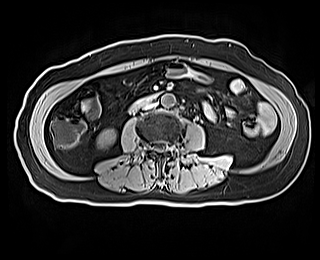 Magnetic resonance imaging, abdomen — axial plane, index 3 — 1st–99th percentile window — 320x260 px — acquired on Prisma
Coordinates as <box>x1,y1,x2,y2</box> in pixels. Labeled organs on this slice: inferior vena cava at <box>142,103,156,110</box>, duodenum at <box>128,92,159,115</box>, aorta at <box>161,94,175,107</box>, right kidney at <box>96,128,116,149</box>.